CT abdomen. axial view. abdomen soft-tissue window
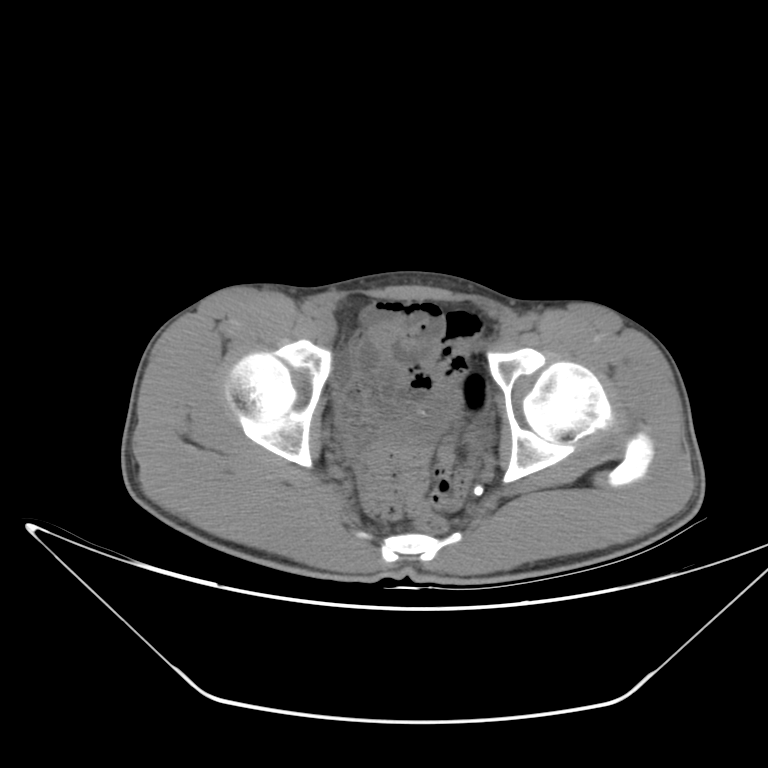 Bounding boxes as [x1, y1, x2, y2] in pixel coordinates. The annotated organs in this slice are: bladder at [386, 385, 456, 440].